CT, abdomen/pelvis. axial view. 512x512 px. 15 organs annotated in this scan (a whole-scan count: organs this slice does not pass through have no box)
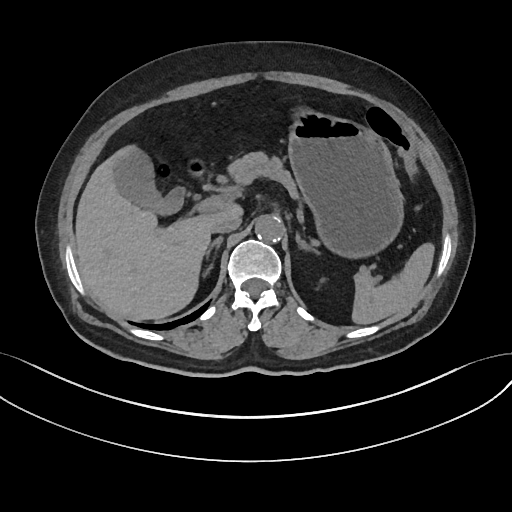 Box edges are left/top/right/bottom in pixels.
spleen: left=352, top=242, right=434, bottom=324
gall bladder: left=114, top=147, right=184, bottom=215
liver: left=75, top=146, right=242, bottom=320
stomach: left=288, top=108, right=403, bottom=258
aorta: left=255, top=215, right=284, bottom=241
inferior vena cava: left=211, top=214, right=240, bottom=232
pancreas: left=227, top=151, right=370, bottom=281
right adrenal gland: left=202, top=236, right=223, bottom=277
left adrenal gland: left=295, top=233, right=317, bottom=253
duodenum: left=187, top=158, right=206, bottom=175